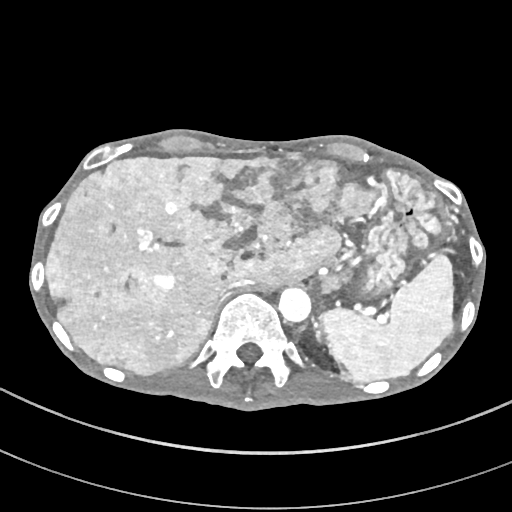 CT, abdomen/pelvis · Axial slice 173/218 · 512x512 px
Organ boxes in pixel coordinates; each row gives the top-left (x1, y1) and bottom-right (x2, y2) corners.
| organ | x1 | y1 | x2 | y2 |
|---|---|---|---|---|
| spleen | 320 | 254 | 454 | 381 |
| liver | 46 | 155 | 380 | 374 |
| stomach | 350 | 168 | 449 | 301 |
| aorta | 278 | 286 | 310 | 321 |
| inferior vena cava | 217 | 279 | 254 | 299 |
| left adrenal gland | 315 | 328 | 325 | 341 |